CT, abdomen/pelvis. axial view
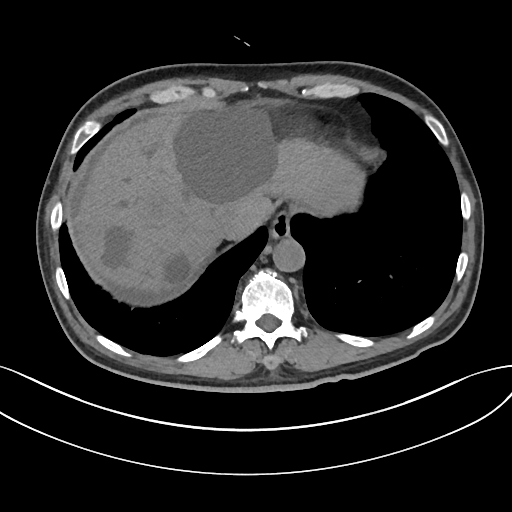 {"organs":{"esophagus":[270,211,290,238],"inferior vena cava":[215,207,249,238],"liver":[78,107,360,292],"aorta":[272,238,304,271]}}